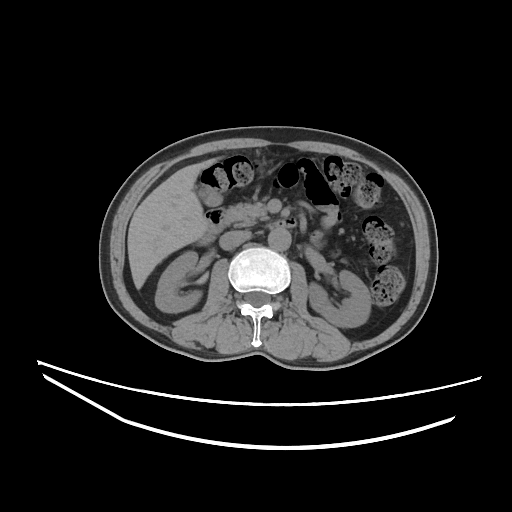

Abdominal CT · Axial slice 65/89 · acquired on Aquilion ONE · 15 organs annotated in this scan (a whole-scan count: organs this slice does not pass through have no box)
<organs><organ name="right kidney" x1="155" y1="251" x2="201" y2="312"/><organ name="left kidney" x1="308" y1="270" x2="371" y2="327"/><organ name="gall bladder" x1="199" y1="186" x2="221" y2="206"/><organ name="liver" x1="127" y1="158" x2="217" y2="288"/><organ name="aorta" x1="268" y1="228" x2="291" y2="250"/><organ name="inferior vena cava" x1="219" y1="230" x2="251" y2="250"/><organ name="pancreas" x1="228" y1="202" x2="269" y2="226"/><organ name="duodenum" x1="200" y1="208" x2="296" y2="244"/></organs>